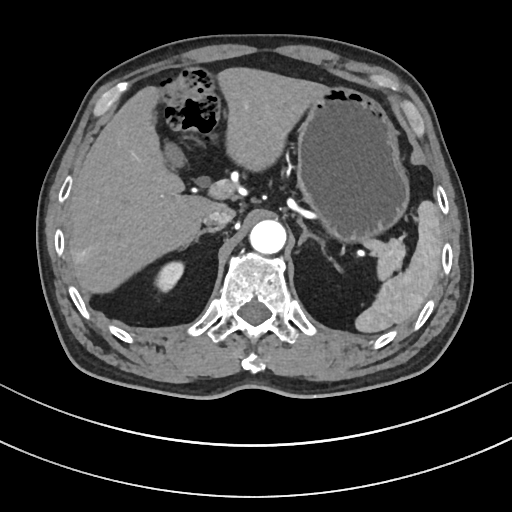
CT abdomen. axial view. soft-tissue window (W 400 / L 40). 512x512 px
Box edges are left/top/right/bottom in pixels.
Organ bounding boxes:
- spleen: left=356, top=201, right=441, bottom=332
- right kidney: left=158, top=262, right=182, bottom=291
- gall bladder: left=164, top=143, right=185, bottom=169
- liver: left=68, top=66, right=322, bottom=291
- stomach: left=297, top=86, right=407, bottom=240
- aorta: left=250, top=219, right=286, bottom=252
- inferior vena cava: left=203, top=206, right=235, bottom=226
- pancreas: left=370, top=238, right=405, bottom=277
- right adrenal gland: left=198, top=226, right=221, bottom=234
- left adrenal gland: left=296, top=217, right=326, bottom=254